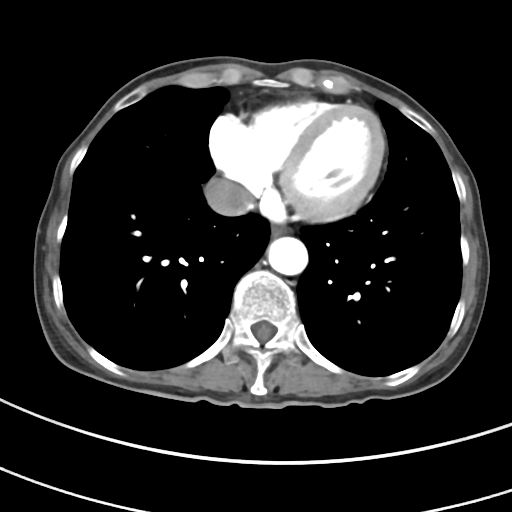

CT of the abdomen reaching into the lower chest, slice just above the liver and spleen; axial plane, index 78; soft-tissue window; 512x512 px; acquired on SOMATOM Force
Of the structures in the chest, this dataset labels only the esophagus, the aorta and the inferior vena cava; the heart and lungs have no label.
Box edges are left/top/right/bottom in pixels.
Organ bounding boxes:
- inferior vena cava: left=204, top=178, right=253, bottom=216
- esophagus: left=271, top=227, right=284, bottom=235
- aorta: left=267, top=237, right=307, bottom=275